Abdominal CT · axial plane, index 43 · soft-tissue window (W 400 / L 40) · acquired on SOMATOM Force · scan has 15 labeled organs (that count is for the whole scan; organs this slice misses have no box)
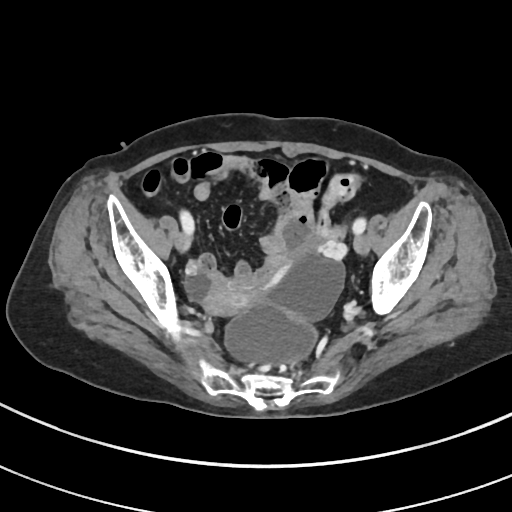

{"organs":{"prostate/uterus":[204,279,265,314]}}